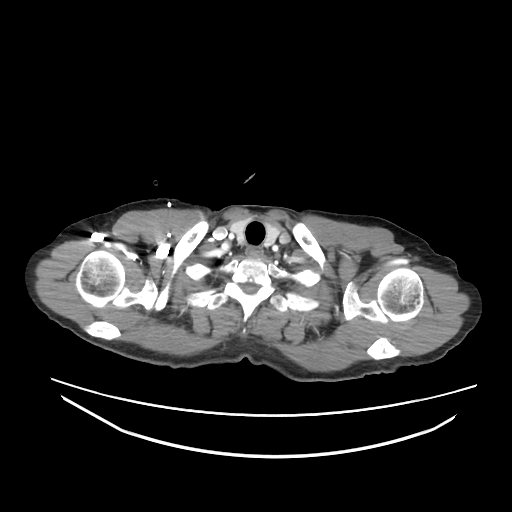

CT of the abdomen extending into the chest, slice through the chest. axial view. 512x512 px. Aquilion ONE scanner
On a slice this high in the chest, this dataset labels only the esophagus and the aorta, and each is boxed only where it is labeled; the heart, lungs and other chest structures are not labeled.
Organ boxes in pixel coordinates; each row gives the top-left (x1, y1) and bottom-right (x2, y2) corners.
| organ | x1 | y1 | x2 | y2 |
|---|---|---|---|---|
| esophagus | 246 | 246 | 262 | 257 |